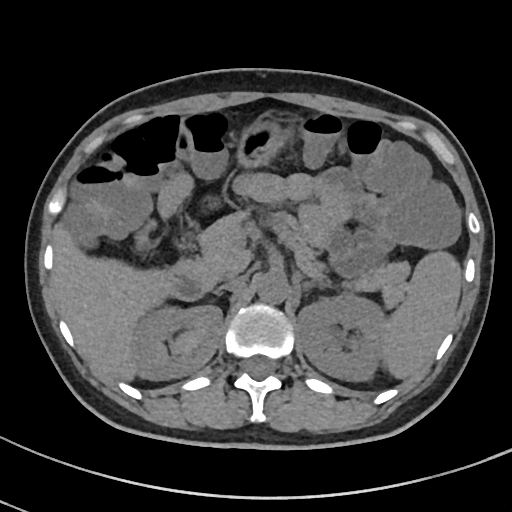 Abdominal CT. Axial slice 164/218. abdomen soft-tissue window. scan has 15 labeled organs (that count is for the whole scan; organs this slice misses have no box)
Bounding boxes as [x1, y1, x2, y2] in pixel coordinates.
spleen: [383, 251, 462, 380]
right kidney: [136, 305, 222, 380]
left kidney: [296, 296, 384, 381]
liver: [53, 225, 168, 382]
stomach: [236, 122, 288, 168]
aorta: [257, 272, 288, 305]
inferior vena cava: [216, 276, 247, 291]
pancreas: [200, 208, 410, 309]
left adrenal gland: [303, 282, 313, 286]
duodenum: [164, 235, 212, 299]